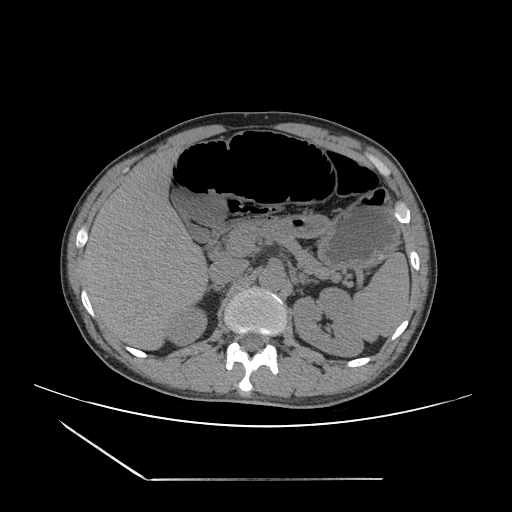

CT, abdomen/pelvis · axial plane, index 131 · soft-tissue window
Bounding boxes in pixels, one row per box: x1, y1 is the top-left corner and x2, y2 the bottom-right.
| organ | x1 | y1 | x2 | y2 |
|---|---|---|---|---|
| spleen | 352 | 252 | 409 | 342 |
| right kidney | 167 | 308 | 207 | 345 |
| left kidney | 293 | 287 | 363 | 356 |
| gall bladder | 171 | 188 | 226 | 242 |
| liver | 82 | 149 | 208 | 350 |
| stomach | 284 | 188 | 399 | 268 |
| aorta | 258 | 267 | 285 | 291 |
| inferior vena cava | 209 | 258 | 247 | 284 |
| pancreas | 231 | 221 | 340 | 279 |
| right adrenal gland | 206 | 284 | 222 | 291 |
| left adrenal gland | 298 | 274 | 316 | 283 |
| duodenum | 208 | 228 | 227 | 253 |